CT, abdomen/pelvis; Axial slice 22/101; 768x768 px; acquired on Brilliance16
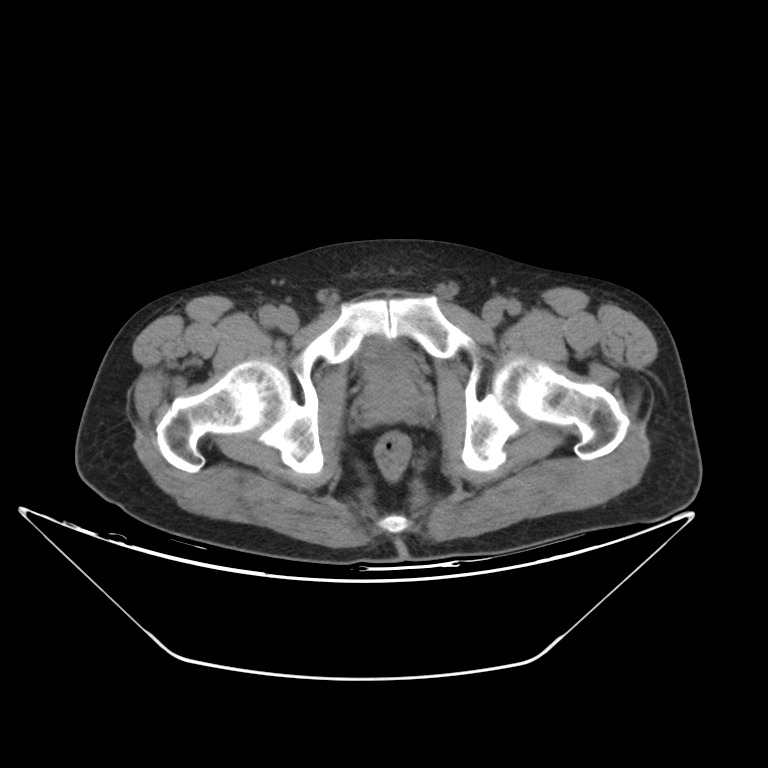
Box edges are left/top/right/bottom in pixels.
Organ bounding boxes:
- bladder: left=360, top=339, right=414, bottom=375
- prostate/uterus: left=362, top=372, right=419, bottom=419